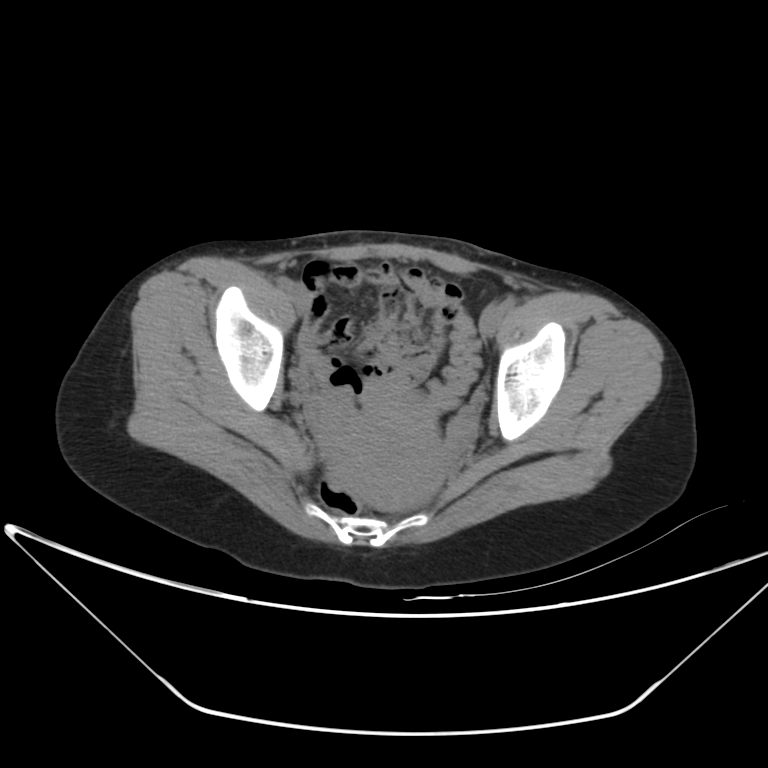
CT, abdomen/pelvis. axial plane, index 19. 768x768 px. acquired on Brilliance16
Boxes: x1 y1 x2 y2 (pixel coords, space-separated).
Organ bounding boxes:
- prostate/uterus: 315 392 444 511